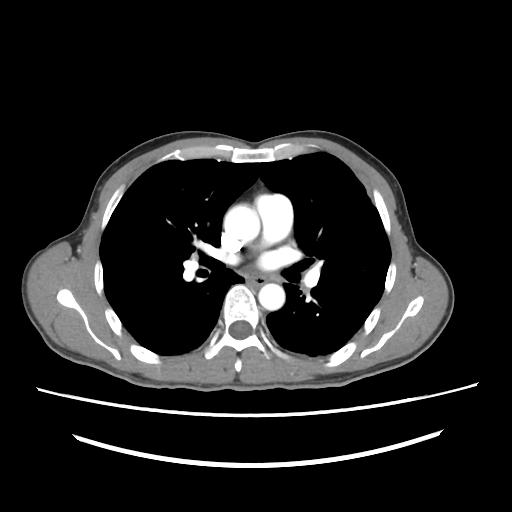

Chest-level slice from an abdominal CT that extends up into the chest; axial view; soft-tissue window; 51-year-old male patient; acquired on Aquilion ONE; 13 organs annotated in this scan (counted over the whole 3D scan, not this slice; an organ is boxed only where this slice passes through it)
At this level of the chest no structure but the esophagus and the aorta has a label in this dataset, and those two are boxed only where they are labeled.
<organs><organ name="esophagus" x1="248" y1="275" x2="266" y2="286"/><organ name="aorta" x1="224" y1="206" x2="259" y2="241"/><organ name="aorta" x1="258" y1="284" x2="284" y2="310"/></organs>